CT abdomen; axial view; W/L 400/40 HU; 512x512 px
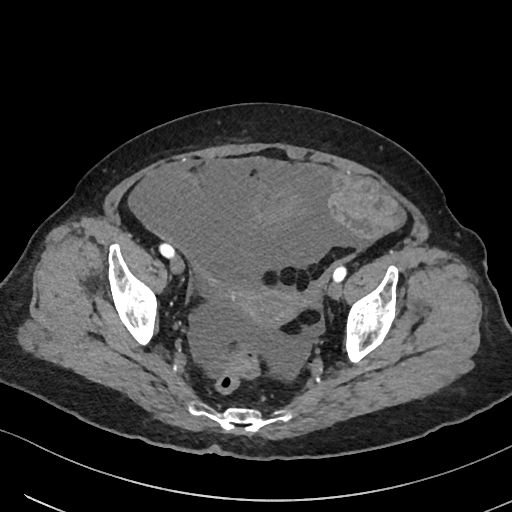 <organs><organ name="prostate/uterus" x1="229" y1="287" x2="302" y2="326"/></organs>